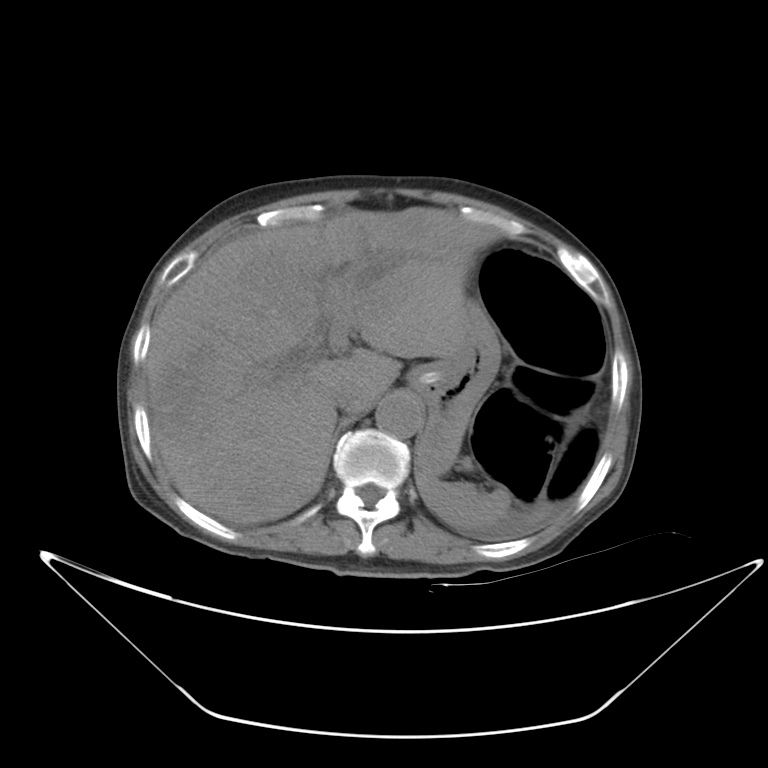 CT abdomen — axial view — 64-year-old male patient
One row per box, in pixels: columns x1 and y1 give the top-left corner, x2 and y2 the bottom-right.
| organ | x1 | y1 | x2 | y2 |
|---|---|---|---|---|
| inferior vena cava | 332 | 391 | 356 | 412 |
| spleen | 416 | 465 | 547 | 532 |
| stomach | 407 | 298 | 500 | 476 |
| aorta | 376 | 393 | 422 | 438 |
| liver | 145 | 206 | 495 | 525 |